Abdominal CT · axial view · soft-tissue window · scan has 14 labeled organs (that count is for the whole scan; organs this slice misses have no box)
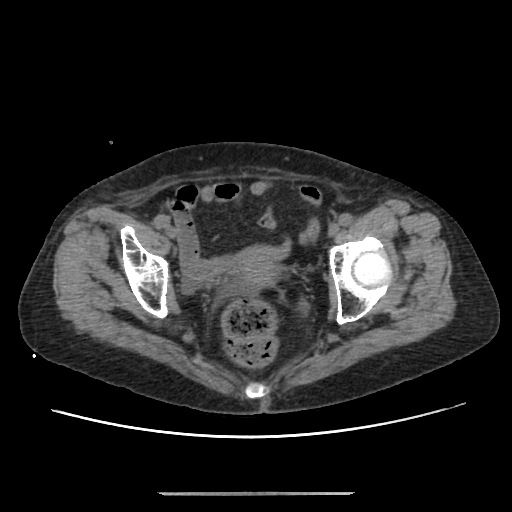

Coordinates as <box>x1,y1,x2,y2</box> in pixels.
Organ bounding boxes:
- prostate/uterus: <box>234,247,279,290</box>